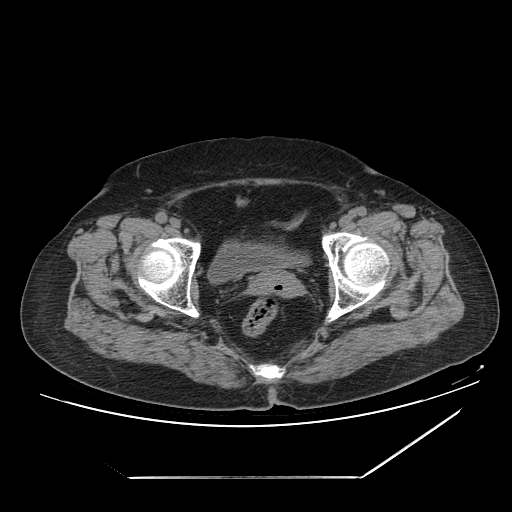 Abdominal CT. Axial slice 29/163. soft-tissue window (W 400 / L 40). 512x512 px
Boxes: x1:y1:x2:y2 in pixels.
Organ bounding boxes:
- prostate/uterus: 249:270:297:295
- bladder: 207:242:308:283